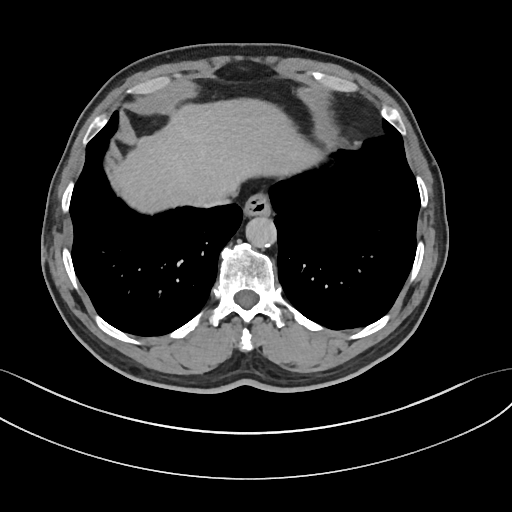

Abdominal CT. axial plane, index 196
Box edges are left/top/right/bottom in pixels.
esophagus: left=244, top=191, right=270, bottom=214
liver: left=109, top=98, right=327, bottom=212
aorta: left=245, top=215, right=275, bottom=246
inferior vena cava: left=197, top=188, right=228, bottom=208